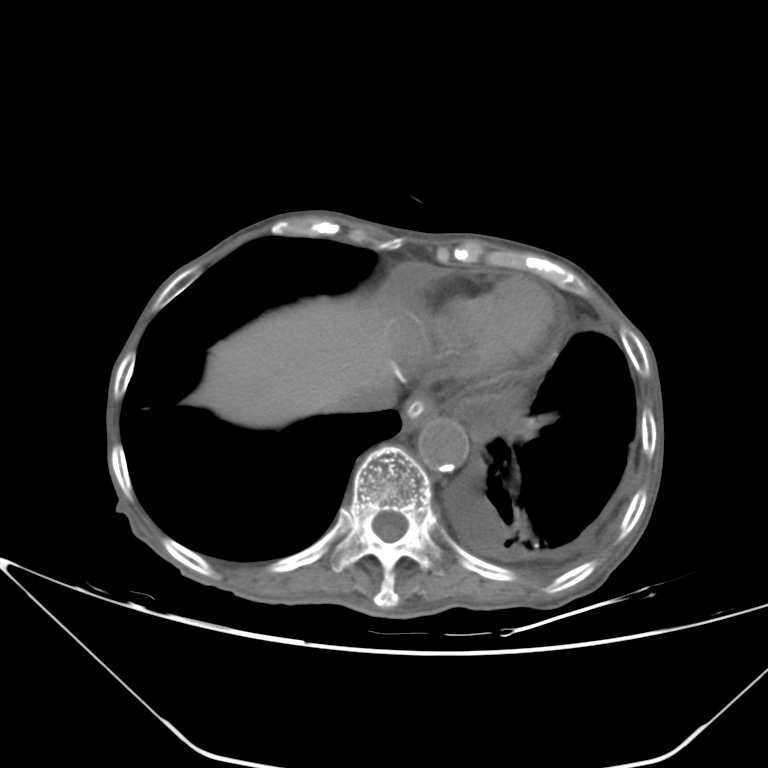

Abdominal CT — Axial slice 80/88 — soft-tissue window — 768x768 px
{"organs":{"esophagus":[402,396,436,428],"liver":[188,297,400,426],"aorta":[417,417,469,471],"inferior vena cava":[330,382,395,411]}}